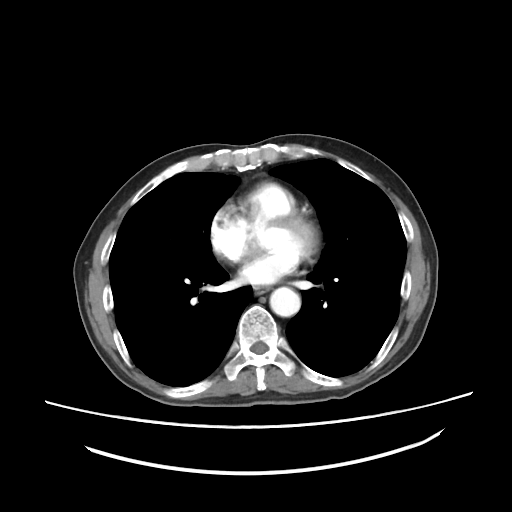 Chest-level CT slice, above the liver and spleen — axial view — soft-tissue window (W 400 / L 40)
On a slice this high in the chest, this dataset labels only the esophagus and the aorta, and each is boxed only where it is labeled; the heart, lungs and other chest structures are not labeled.
<organs><organ name="esophagus" x1="254" y1="287" x2="268" y2="293"/><organ name="aorta" x1="270" y1="287" x2="300" y2="316"/></organs>